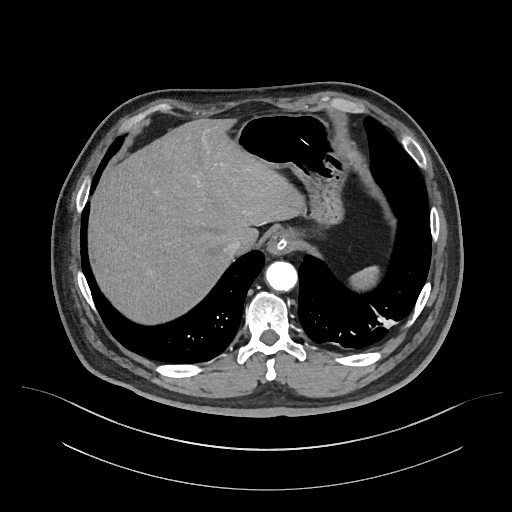

Computed tomography, abdomen. axial view
Boxes are (x1, y1, x2, y2) in pixels. 6 labeled organs on this slice — esophagus at (266, 232, 290, 256); inferior vena cava at (223, 236, 243, 255); aorta at (266, 262, 297, 291); stomach at (235, 114, 348, 222); spleen at (351, 268, 377, 287); liver at (89, 118, 303, 323).